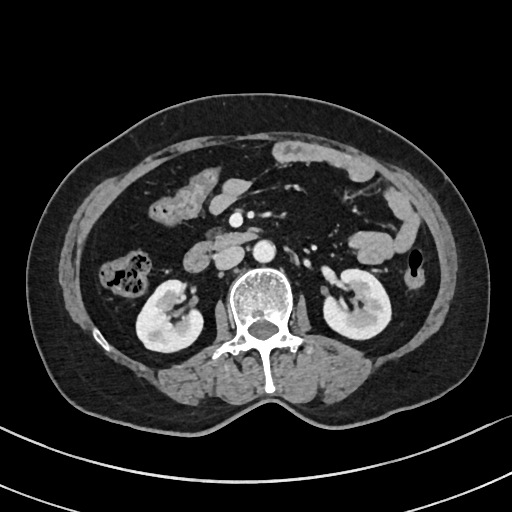

Abdominal CT; axial view; 512x512 px; SOMATOM Force scanner; 14 organs annotated in this scan (counted over the whole 3D scan, not this slice; an organ is boxed only where this slice passes through it)
Boxes: x1 y1 x2 y2 (pixel coords, space-separated).
left kidney: 323 269 390 338
inferior vena cava: 215 246 244 269
duodenum: 184 231 255 271
right kidney: 136 279 203 351
aorta: 253 240 276 262